CT, abdomen/pelvis; Axial slice 45/89; 78-year-old female patient
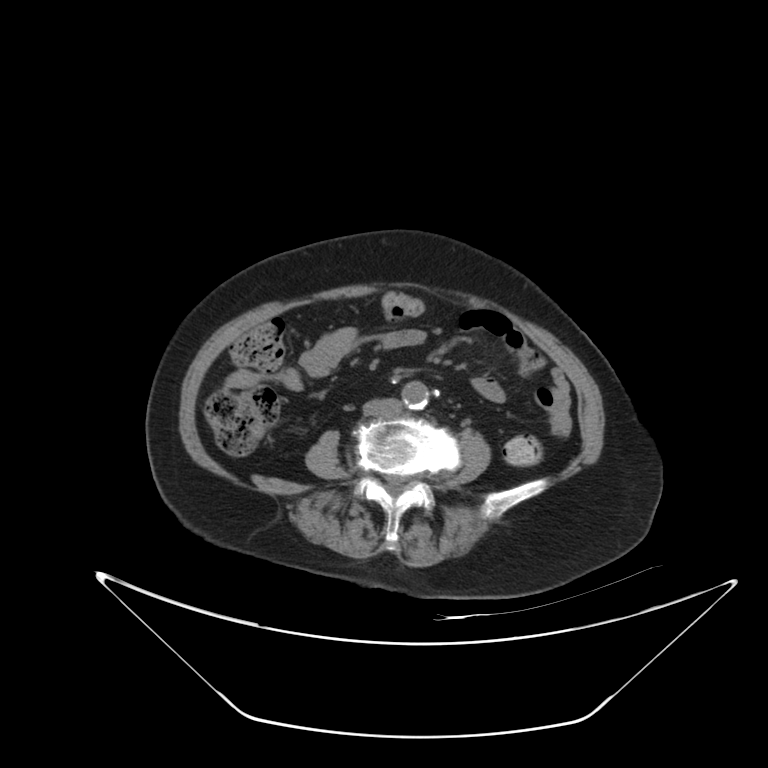 <organs><organ name="aorta" x1="402" y1="382" x2="429" y2="409"/><organ name="inferior vena cava" x1="364" y1="398" x2="401" y2="418"/></organs>